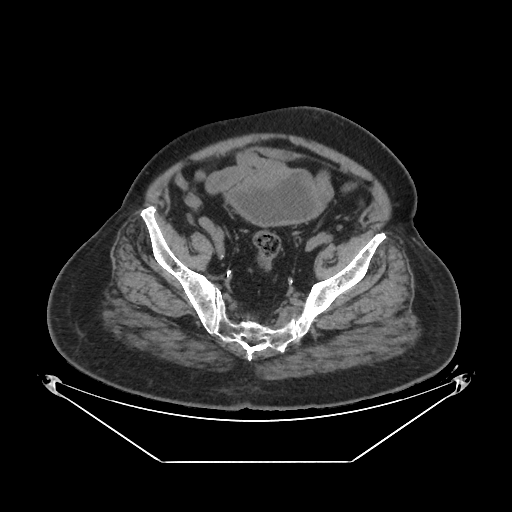
Computed tomography, abdomen — axial plane, index 82 — 512x512 px — acquired on SOMATOM Force — 15 organs annotated in this scan (that count is for the whole scan; organs this slice misses have no box)
Boxes are (x1, y1, x2, y2) in pixels. The annotated organs in this slice are: bladder at (226, 170, 323, 226).